Abdominal CT. axial view. abdomen soft-tissue window
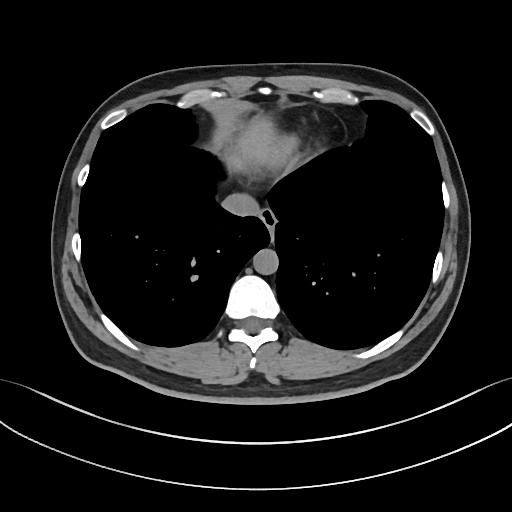
Bounding boxes in pixels, one row per box: x1, y1 is the top-left corner and x2, y2 the bottom-right.
| organ | x1 | y1 | x2 | y2 |
|---|---|---|---|---|
| esophagus | 260 | 208 | 276 | 234 |
| liver | 229 | 120 | 295 | 166 |
| aorta | 253 | 249 | 278 | 274 |
| inferior vena cava | 222 | 191 | 260 | 216 |